Abdominal CT; axial plane, index 44; SOMATOM Force scanner; 15 organs annotated in this scan (counted over the whole 3D scan, not this slice; an organ is boxed only where this slice passes through it)
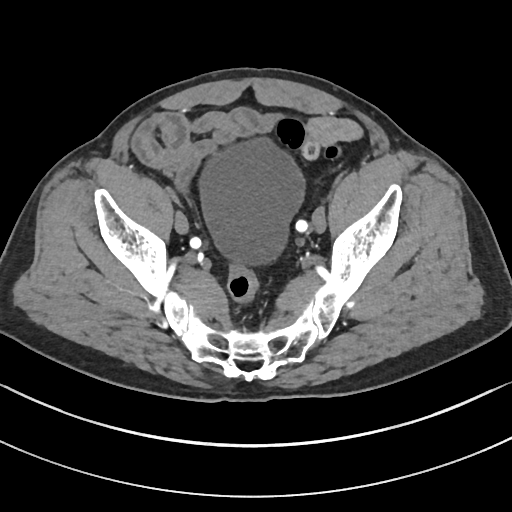 Bounding boxes as [x1, y1, x2, y2] in pixel coordinates.
Organ bounding boxes:
- bladder: [197, 137, 306, 267]